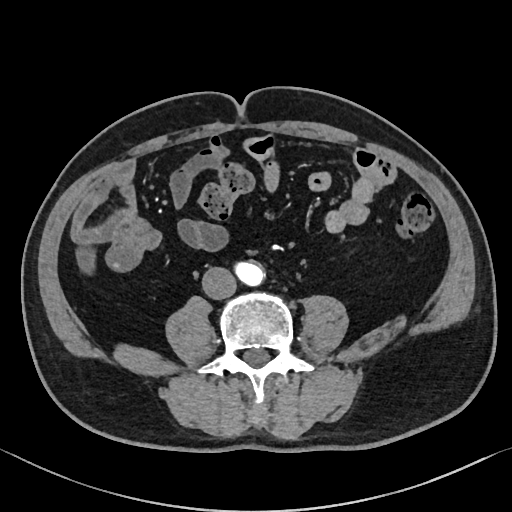

CT, abdomen/pelvis. axial plane, index 98
Bounding boxes in pixels, one row per box: x1, y1 is the top-left corner and x2, y2 the bottom-right.
| organ | x1 | y1 | x2 | y2 |
|---|---|---|---|---|
| aorta | 235 | 262 | 264 | 285 |
| inferior vena cava | 202 | 267 | 236 | 299 |